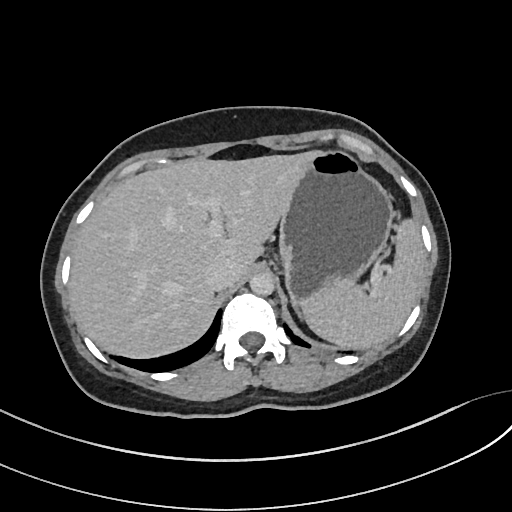

Abdominal CT; axial view; W/L 400/40 HU; scan has 15 labeled organs (a whole-scan count: organs this slice does not pass through have no box)
Each box given as x1,y1,x2,y2.
spleen: x1=300, y1=222, x2=425, y2=348
liver: x1=69, y1=151, x2=313, y2=358
stomach: x1=279, y1=150, x2=394, y2=314
aorta: x1=249, y1=272, x2=274, y2=295
inferior vena cava: x1=205, y1=259, x2=239, y2=290